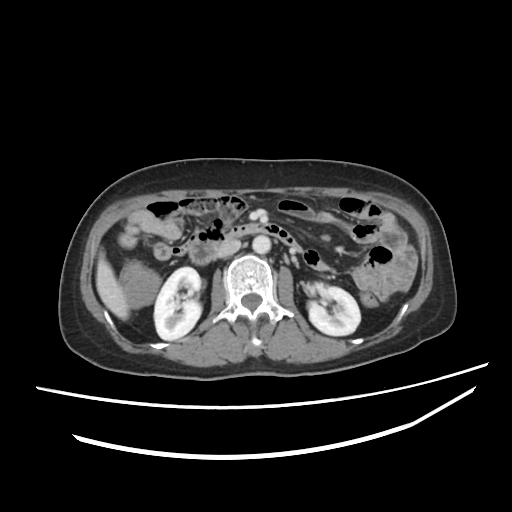 CT, abdomen/pelvis — axial view — 512x512 px — scan has 15 labeled organs (a whole-scan count: organs this slice does not pass through have no box)
Box edges are left/top/right/bottom in pixels.
Organ bounding boxes:
- right kidney: left=154, top=267, right=201, bottom=340
- duodenum: left=188, top=224, right=299, bottom=264
- aorta: left=252, top=235, right=270, bottom=253
- inferior vena cava: left=217, top=239, right=240, bottom=257
- left kidney: left=308, top=283, right=360, bottom=335
- liver: left=96, top=251, right=128, bottom=319